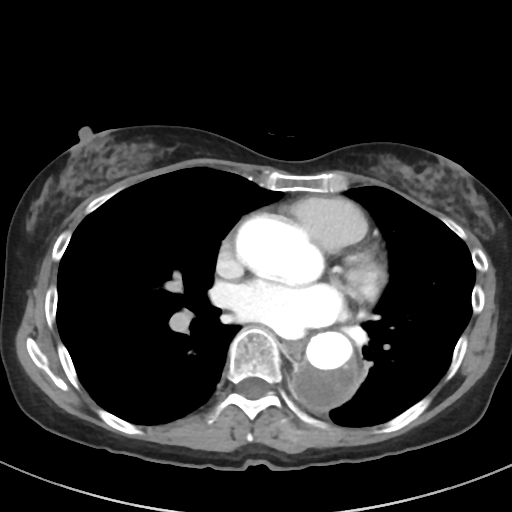

CT of the abdomen extending into the chest, slice through the chest. axial view. 512x512 px
On a slice this high in the chest, this dataset labels only the esophagus and the aorta, and each is boxed only where it is labeled; the heart, lungs and other chest structures are not labeled. Boxes: x1:y1:x2:y2 in pixels. The annotated organs in this slice are: esophagus at 284:341:303:354, aorta at 236:215:329:286, aorta at 292:331:360:409.